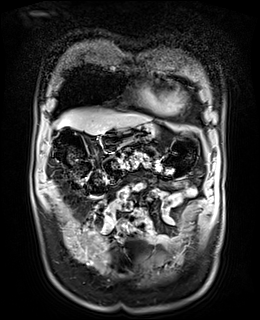

MRI, abdomen; coronal plane, index 116; percentile-normalized
One row per box, in pixels: columns x1 and y1 give the top-left corner, x2 and y2 the bottom-right.
| organ | x1 | y1 | x2 | y2 |
|---|---|---|---|---|
| liver | 58 | 110 | 149 | 134 |
| stomach | 99 | 123 | 155 | 151 |